CT, abdomen/pelvis; Axial slice 88/103; soft-tissue window (W 400 / L 40); acquired on Brilliance16
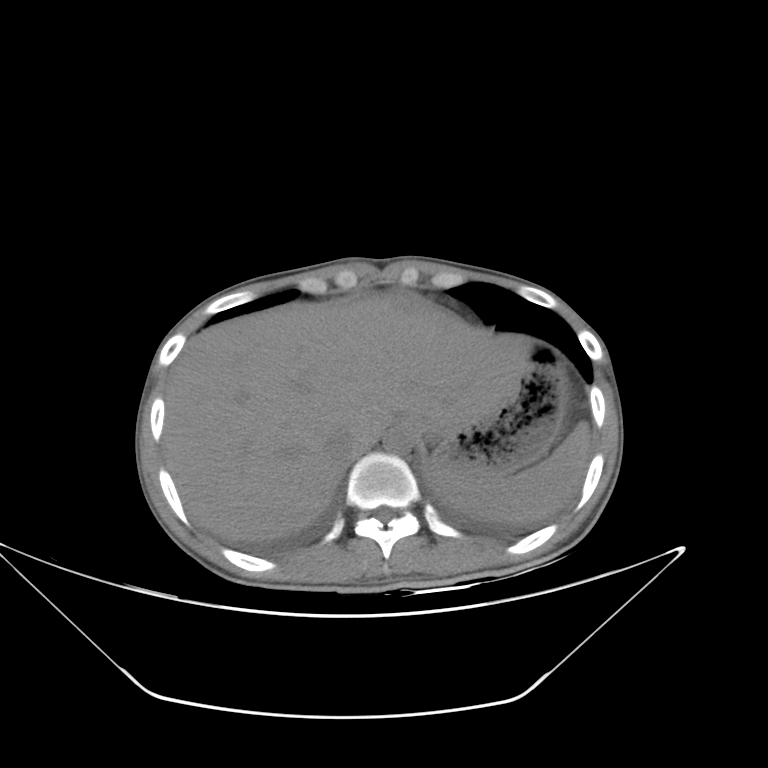 Boxes: x1 y1 x2 y2 (pixel coords, space-separated).
stomach: 406 345 569 476
liver: 163 295 531 542
inferior vena cava: 325 429 361 459
spleen: 427 421 590 524
aorta: 383 425 413 454